Computed tomography, abdomen. Axial slice 56/81. soft-tissue window (W 400 / L 40). 768x768 px. Brilliance16 scanner
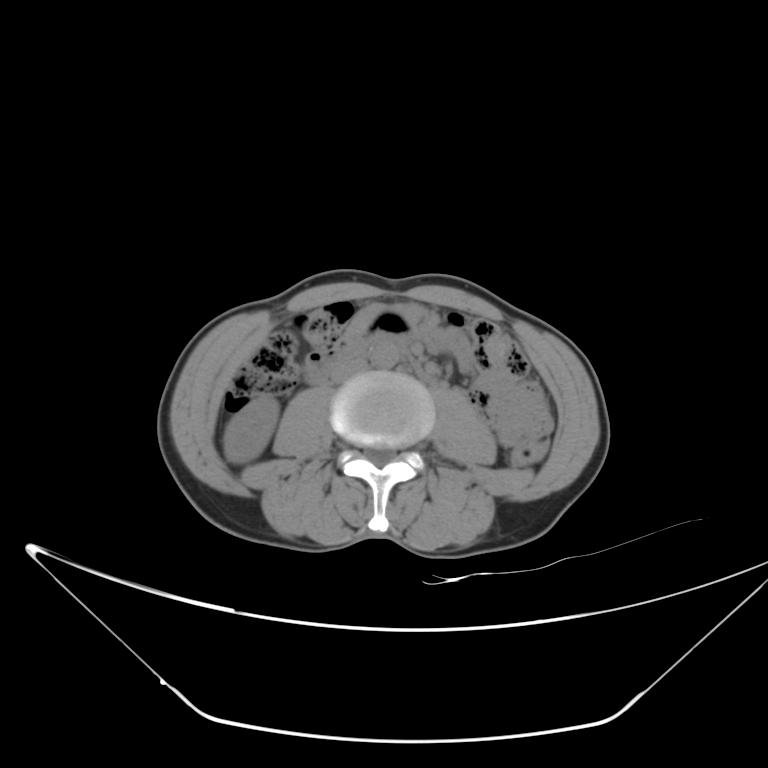
One row per box, in pixels: columns x1 and y1 give the top-left corner, x2 and y2 the bottom-right.
| organ | x1 | y1 | x2 | y2 |
|---|---|---|---|---|
| right kidney | 223 | 395 | 279 | 463 |
| aorta | 370 | 339 | 398 | 368 |
| inferior vena cava | 330 | 357 | 366 | 382 |
| duodenum | 307 | 333 | 437 | 385 |